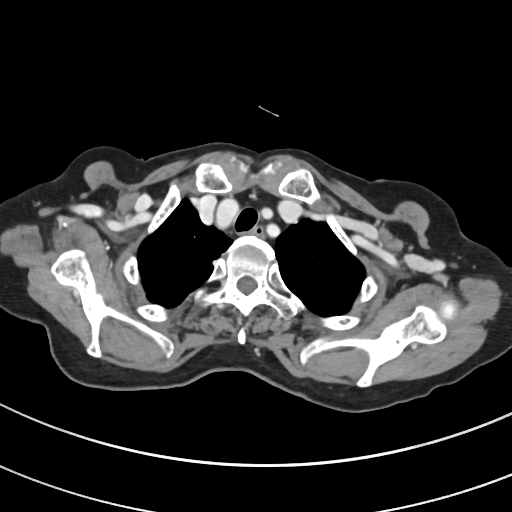

Abdominal CT reaching into the chest; this slice is in the chest — axial view — 512x512 px
At this level of the chest no structure but the esophagus and the aorta has a label in this dataset, and those two are boxed only where they are labeled.
<organs><organ name="esophagus" x1="249" y1="225" x2="266" y2="237"/></organs>